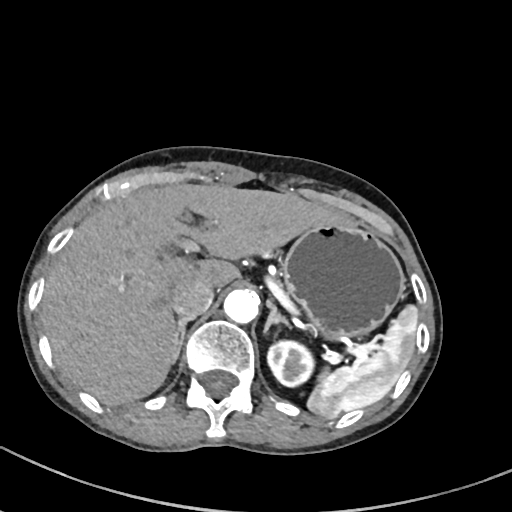

Abdominal CT; axial view; W/L 400/40 HU
Bounding boxes in pixels, one row per box: x1, y1 is the top-left corner and x2, y2 the bottom-right.
| organ | x1 | y1 | x2 | y2 |
|---|---|---|---|---|
| spleen | 307 | 305 | 418 | 418 |
| left kidney | 267 | 341 | 313 | 386 |
| liver | 43 | 183 | 353 | 406 |
| stomach | 282 | 224 | 405 | 339 |
| aorta | 223 | 289 | 258 | 323 |
| inferior vena cava | 172 | 280 | 214 | 319 |
| right adrenal gland | 174 | 318 | 189 | 362 |
| left adrenal gland | 264 | 300 | 288 | 332 |